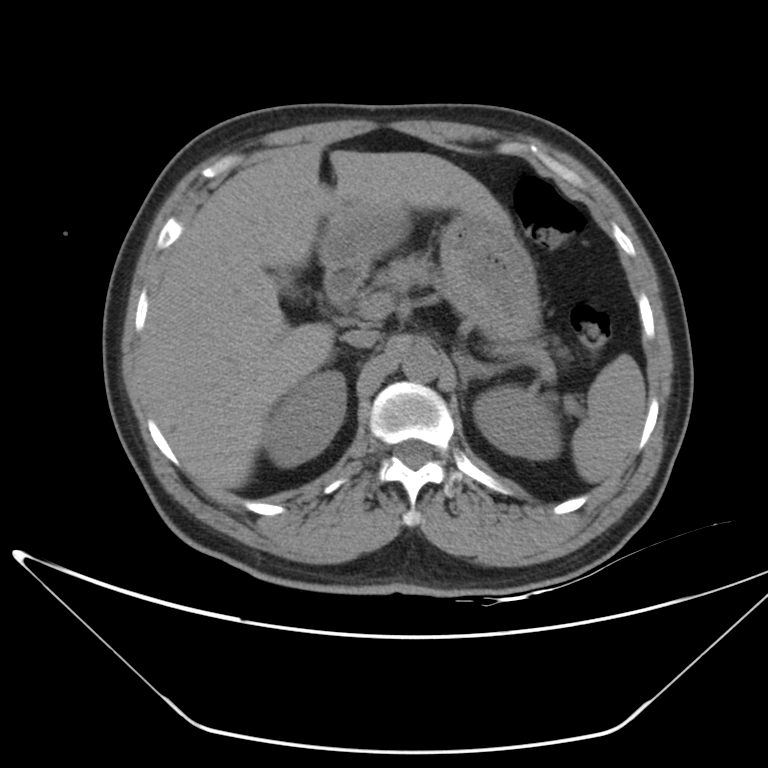 CT, abdomen/pelvis — axial view — abdomen soft-tissue window — 42-year-old male patient
Boxes: x1:y1:x2:y2 in pixels. 11 labeled organs on this slice — aorta at 402:345:441:382; liver at 141:148:509:494; pancreas at 374:254:441:293; left adrenal gland at 454:351:490:390; inferior vena cava at 342:329:377:347; right kidney at 264:371:346:468; stomach at 317:205:540:347; duodenum at 323:259:368:303; left kidney at 473:385:561:459; gall bladder at 274:271:300:298; spleen at 571:354:645:482.